CT, abdomen/pelvis — axial view — soft-tissue window — 768x768 px
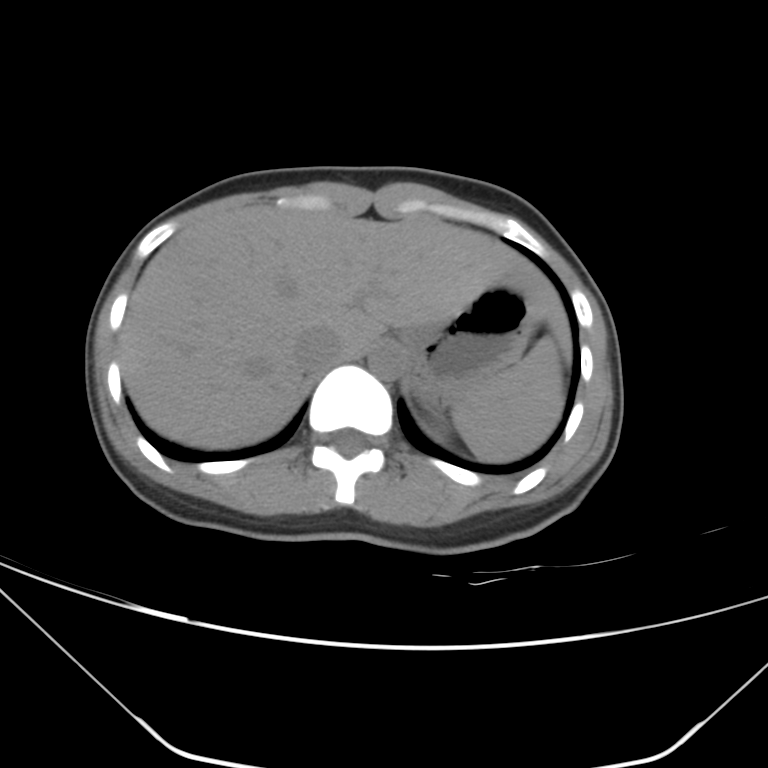 One row per box, in pixels: columns x1 and y1 give the top-left corner, x2 and y2 the bottom-right.
| organ | x1 | y1 | x2 | y2 |
|---|---|---|---|---|
| stomach | 400 | 286 | 541 | 405 |
| inferior vena cava | 293 | 328 | 342 | 372 |
| spleen | 450 | 338 | 563 | 462 |
| liver | 121 | 205 | 570 | 449 |
| aorta | 368 | 343 | 405 | 379 |